CT, abdomen/pelvis — axial view — soft-tissue window — 512x512 px — SOMATOM Force scanner
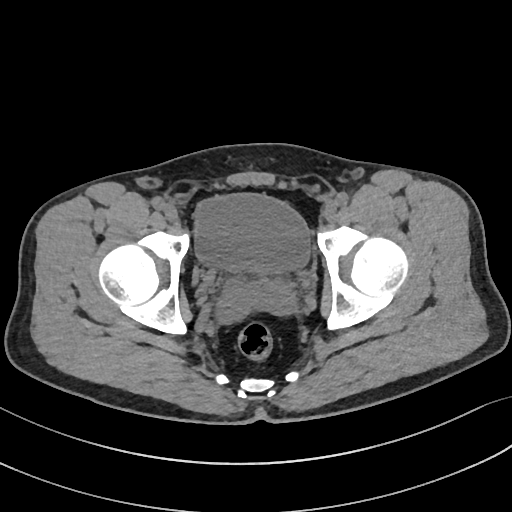

Each box given as x1,y1,x2,y2.
Organ bounding boxes:
- bladder: x1=194, y1=193, x2=310, y2=272